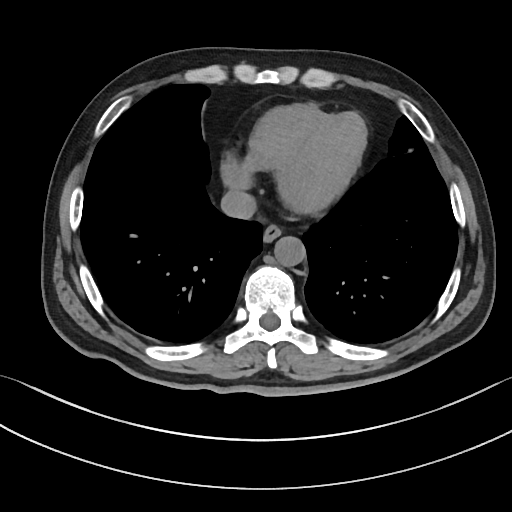

Lower-chest slice from an abdominal CT, just above the liver and spleen; axial view; 512x512 px
Of the structures in the chest, this dataset labels only the esophagus, the aorta and the inferior vena cava; the heart and lungs have no label.
Box edges are left/top/right/bottom in pixels.
esophagus: left=264, top=223, right=282, bottom=241
aorta: left=273, top=236, right=305, bottom=266
inferior vena cava: left=220, top=190, right=257, bottom=218